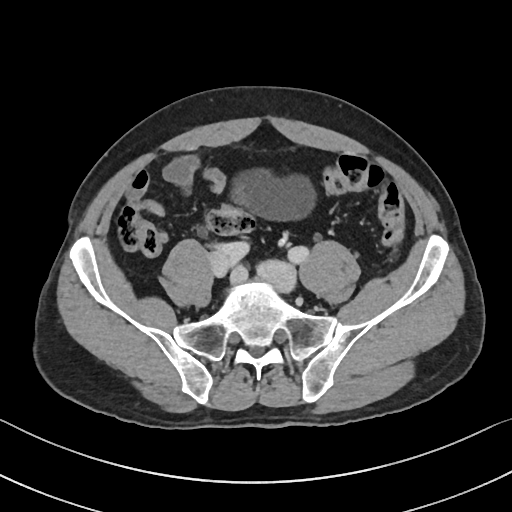 Abdominal CT. axial view. abdomen soft-tissue window
Bounding boxes in pixels, one row per box: x1, y1 is the top-left corner and x2, y2 the bottom-right.
| organ | x1 | y1 | x2 | y2 |
|---|---|---|---|---|
| bladder | 227 | 169 | 316 | 220 |